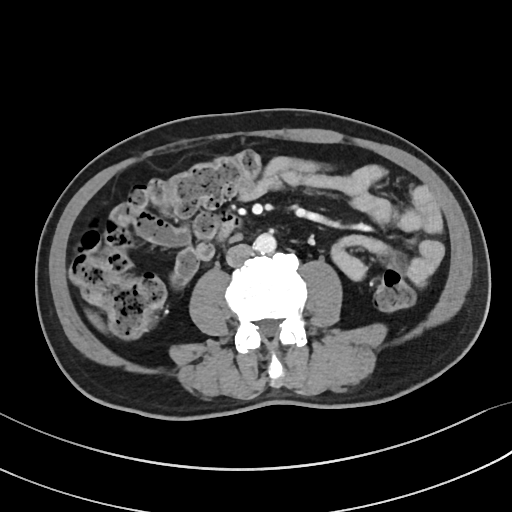

Abdominal CT. axial view. abdomen soft-tissue window. 512x512 px
<organs><organ name="duodenum" x1="218" y1="212" x2="237" y2="240"/><organ name="inferior vena cava" x1="226" y1="244" x2="253" y2="266"/><organ name="aorta" x1="253" y1="233" x2="276" y2="253"/><organ name="liver" x1="88" y1="313" x2="103" y2="329"/></organs>